CT abdomen — axial plane, index 17 — 15 organs annotated in this scan (a whole-scan count: organs this slice does not pass through have no box)
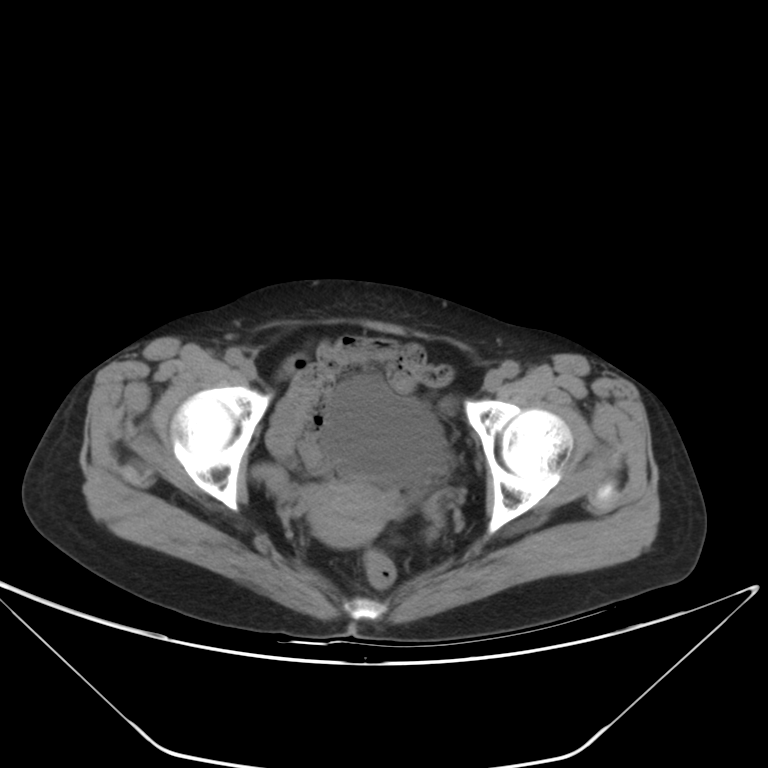

{"organs":{"bladder":[319,376,445,486],"prostate/uterus":[306,482,395,547]}}